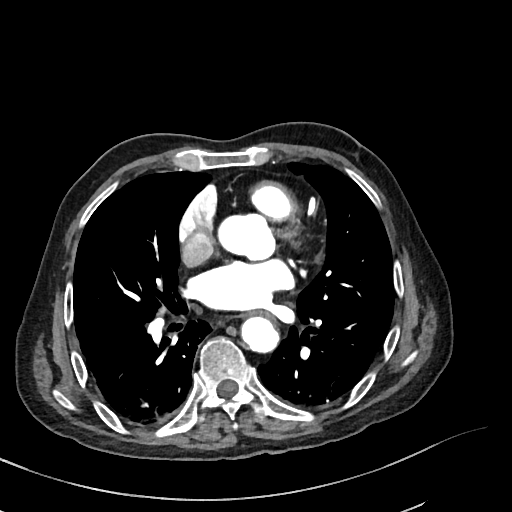
Abdominal CT; this slice is in the lower chest, just above the liver. axial plane, index 234. SOMATOM Force scanner
Of the structures in the chest, this dataset labels only the esophagus, the aorta and the inferior vena cava; the heart and lungs have no label.
{"organs":{"esophagus":[246,310,271,318],"aorta":[[219,211,275,261],[240,316,278,352]]}}